Chest-level slice from an abdominal CT that extends up into the chest; axial view; 47-year-old male patient
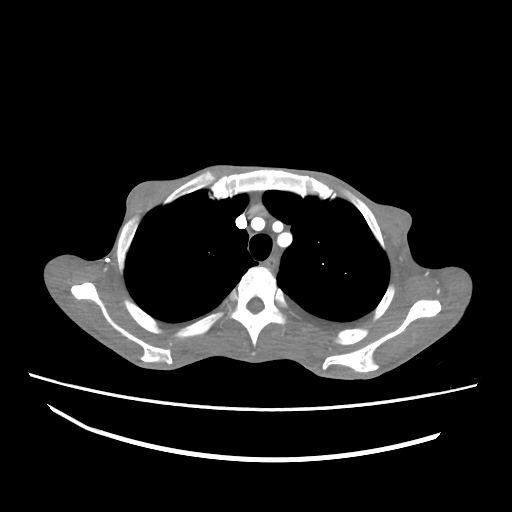
At this level of the chest no structure but the esophagus and the aorta has a label in this dataset, and those two are boxed only where they are labeled. Coordinates as <box>x1,y1,x2,y2</box> in pixels. 1 labeled organ on this slice — esophagus at <box>265,258,275,269</box>.